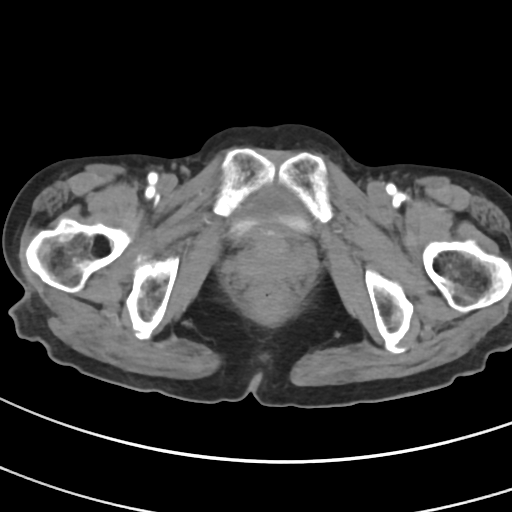

CT abdomen — Axial slice 9/118
Bounding boxes in pixels, one row per box: x1, y1 is the top-left corner and x2, y2 the bottom-right.
| organ | x1 | y1 | x2 | y2 |
|---|---|---|---|---|
| bladder | 229 | 186 | 311 | 235 |